CT abdomen; axial view; soft-tissue window
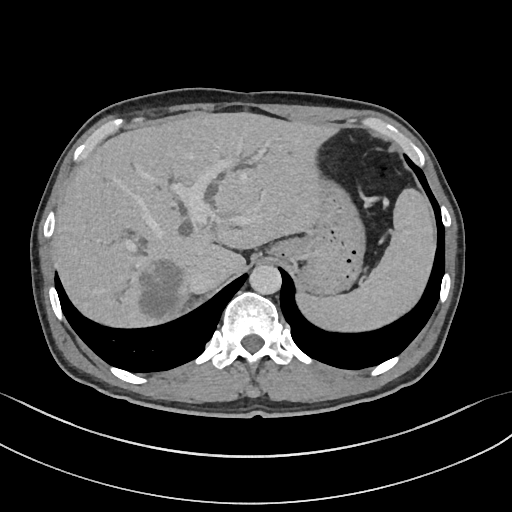

<organs><organ name="spleen" x1="294" y1="189" x2="435" y2="332"/><organ name="liver" x1="52" y1="112" x2="338" y2="326"/><organ name="stomach" x1="268" y1="180" x2="362" y2="294"/><organ name="aorta" x1="249" y1="265" x2="281" y2="294"/><organ name="inferior vena cava" x1="189" y1="270" x2="217" y2="293"/></organs>